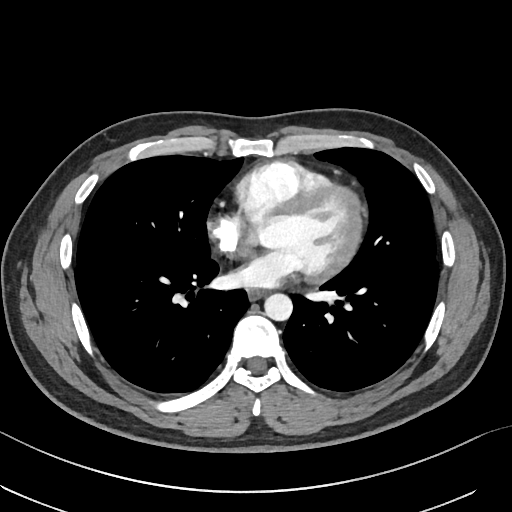
Abdominal CT; this slice is in the lower chest, just above the liver · axial view · W/L 400/40 HU
Of the structures in the chest, this dataset labels only the esophagus, the aorta and the inferior vena cava; the heart and lungs have no label.
Organ boxes in pixel coordinates; each row gives the top-left (x1, y1) and bottom-right (x2, y2) corners.
| organ | x1 | y1 | x2 | y2 |
|---|---|---|---|---|
| aorta | 264 | 293 | 292 | 320 |
| esophagus | 247 | 289 | 265 | 300 |